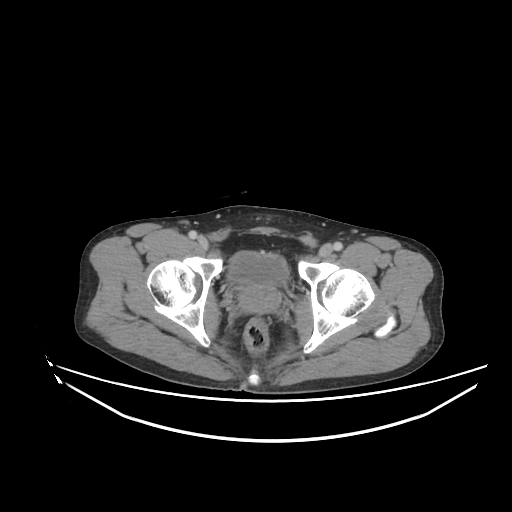

Abdominal CT — axial view — W/L 400/40 HU
<organs><organ name="bladder" x1="229" y1="251" x2="288" y2="285"/><organ name="prostate/uterus" x1="239" y1="284" x2="280" y2="311"/></organs>